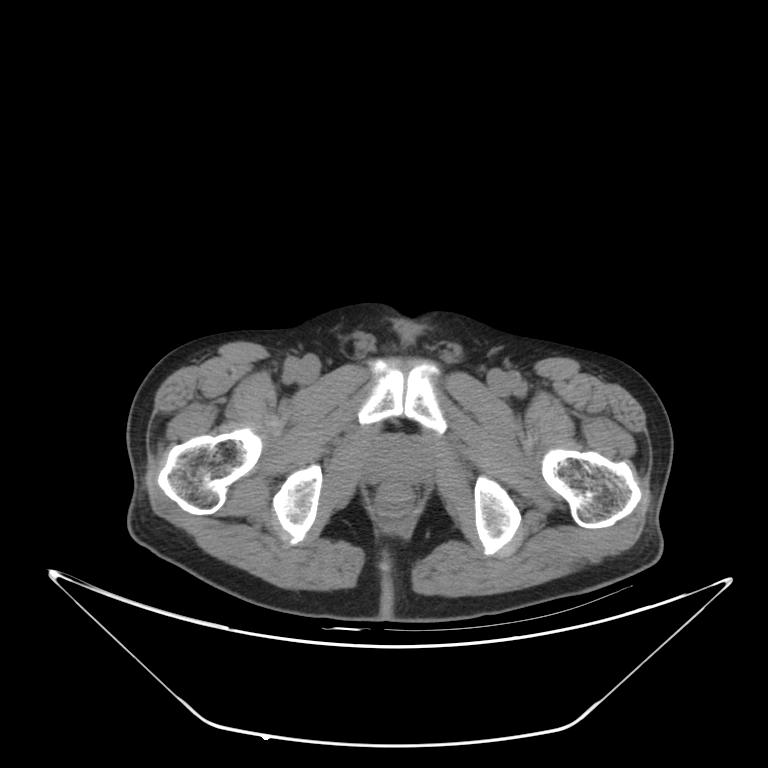

CT abdomen · Axial slice 13/83 · 59-year-old male patient · Brilliance16 scanner
Boxes: x1 y1 x2 y2 (pixel coords, space-separated).
Organ bounding boxes:
- prostate/uterus: 367 435 428 483